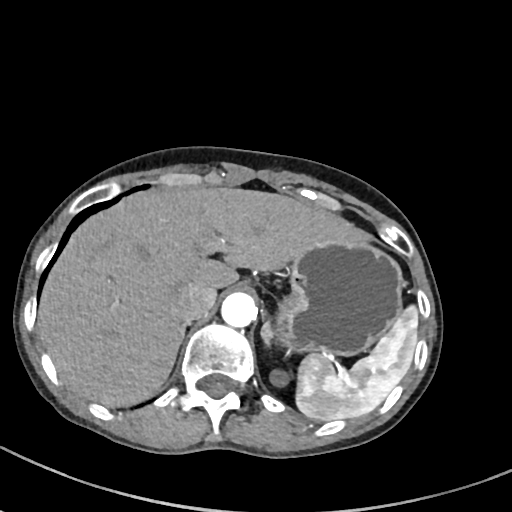
CT abdomen. axial view. 512x512 px
Boxes: x1:y1:x2:y2 in pixels. Labeled organs on this slice: spleen at 297:302:418:420, left kidney at 269:370:287:387, liver at 38:186:372:407, stomach at 277:240:403:355, aorta at 221:292:258:326, inferior vena cava at 174:282:215:322, right adrenal gland at 179:322:188:345, left adrenal gland at 262:316:273:344.